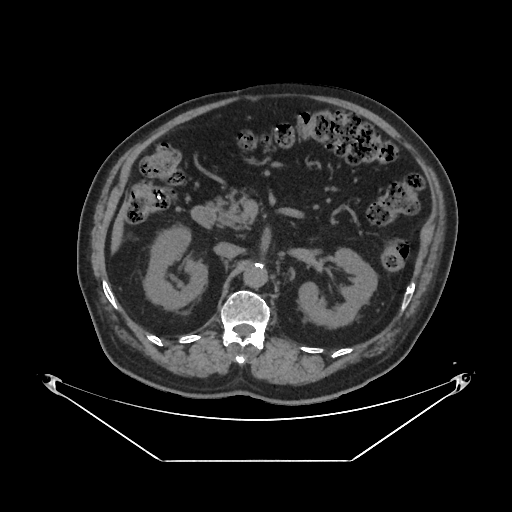
Abdominal CT · axial plane, index 237
One row per box, in pixels: columns x1 and y1 give the top-left corner, x2 and y2 the bottom-right.
| organ | x1 | y1 | x2 | y2 |
|---|---|---|---|---|
| right kidney | 144 | 227 | 207 | 310 |
| left kidney | 297 | 248 | 377 | 328 |
| liver | 110 | 203 | 127 | 255 |
| aorta | 243 | 263 | 267 | 287 |
| inferior vena cava | 213 | 242 | 241 | 258 |
| pancreas | 217 | 194 | 254 | 230 |
| duodenum | 190 | 202 | 217 | 227 |